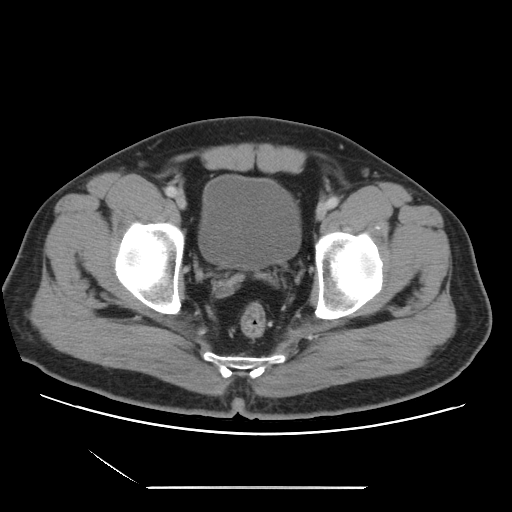
CT abdomen; axial plane, index 19
One row per box, in pixels: columns x1 and y1 give the top-left corner, x2 and y2 the bottom-right.
| organ | x1 | y1 | x2 | y2 |
|---|---|---|---|---|
| bladder | 199 | 175 | 300 | 268 |